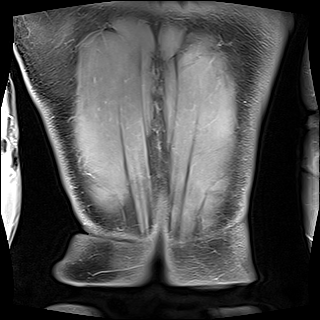
Magnetic resonance imaging, abdomen. coronal plane, index 1. 1st–99th percentile window. 320x320 px
Coordinates as <box>x1,y1,x2,y2</box> in pixels.
left kidney: <box>252,182,263,182</box>